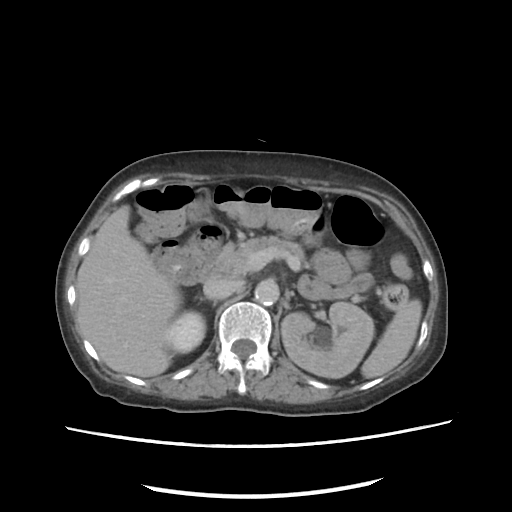 CT, abdomen/pelvis. axial view. soft-tissue window (W 400 / L 40). 14 organs annotated in this scan (that count is for the whole scan; organs this slice misses have no box)
Each box given as x1,y1,x2,y2. The annotated organs in this slice are: spleen at x1=361, y1=299, x2=422, y2=378, right kidney at x1=165, y1=311, x2=205, y2=353, left kidney at x1=281, y1=302, x2=374, y2=378, liver at x1=76, y1=205, x2=180, y2=377, aorta at x1=254, y1=279, x2=279, y2=305, inferior vena cava at x1=203, y1=276, x2=239, y2=299, pancreas at x1=224, y1=236, x2=304, y2=274, right adrenal gland at x1=198, y1=296, x2=216, y2=305, duodenum at x1=194, y1=242, x2=234, y2=281.